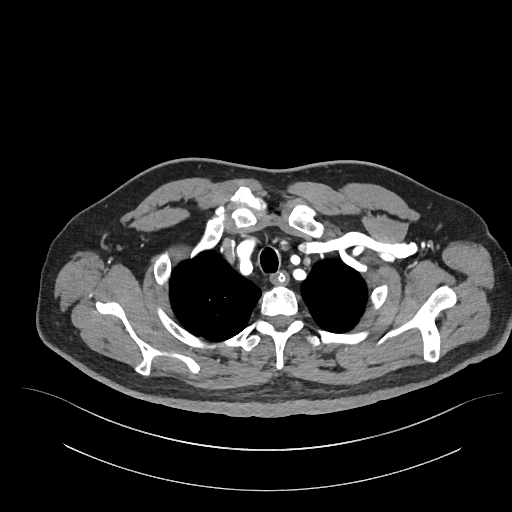

CT of the abdomen extending into the chest, slice through the chest · axial plane, index 309
On a slice this high in the chest, this dataset labels only the esophagus and the aorta, and each is boxed only where it is labeled; the heart, lungs and other chest structures are not labeled.
Each box given as x1,y1,x2,y2.
Organ bounding boxes:
- esophagus: x1=272, y1=272, x2=288, y2=283